Abdominal CT reaching into the chest; this slice is in the chest — Axial slice 120/133 — soft-tissue window, W/L 400/40 — 512x512 px
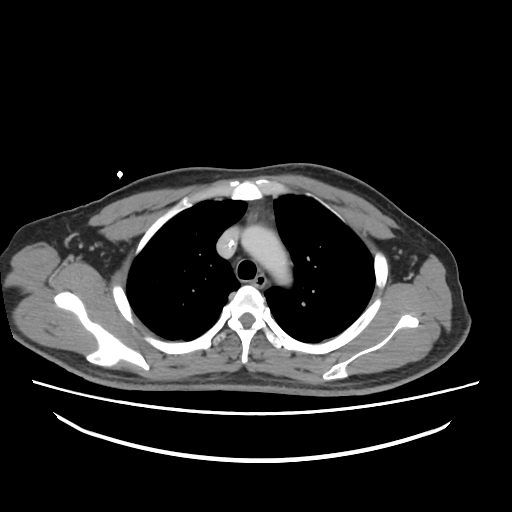

At this level of the chest no structure but the esophagus and the aorta has a label in this dataset, and those two are boxed only where they are labeled.
One row per box, in pixels: columns x1 and y1 give the top-left corner, x2 and y2 the bottom-right.
| organ | x1 | y1 | x2 | y2 |
|---|---|---|---|---|
| esophagus | 253 | 275 | 266 | 287 |
| aorta | 241 | 225 | 291 | 285 |